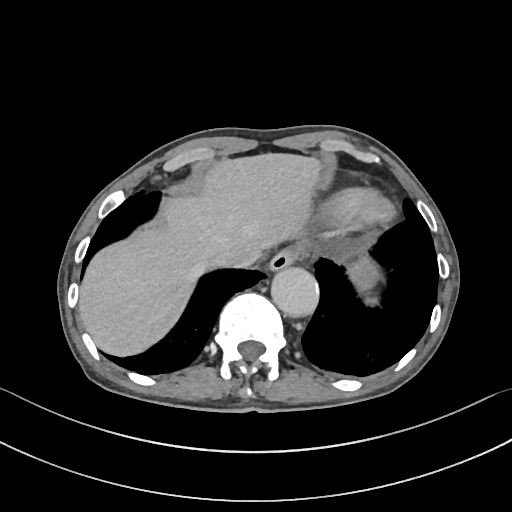 CT abdomen · axial view · W/L 400/40 HU · 15 organs annotated in this scan (a whole-scan count: organs this slice does not pass through have no box)
Bounding boxes in pixels, one row per box: x1, y1 is the top-left corner and x2, y2 the bottom-right.
| organ | x1 | y1 | x2 | y2 |
|---|---|---|---|---|
| spleen | 368 | 298 | 375 | 302 |
| esophagus | 269 | 249 | 298 | 272 |
| liver | 79 | 153 | 319 | 355 |
| stomach | 349 | 258 | 378 | 290 |
| aorta | 271 | 267 | 319 | 317 |
| inferior vena cava | 212 | 246 | 255 | 267 |